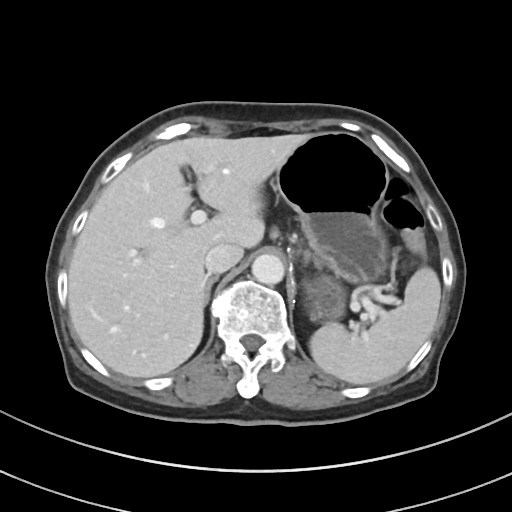
Abdominal CT · axial view · 512x512 px
Box edges are left/top/right/bottom in pixels. Labeled organs on this slice: spleen at left=310, top=267, right=440, bottom=384, liver at left=68, top=134, right=310, bottom=377, stomach at left=275, top=131, right=388, bottom=320, aorta at left=251, top=254, right=284, bottom=285, inferior vena cava at left=205, top=242, right=243, bottom=273, right adrenal gland at left=205, top=275, right=218, bottom=303.